CT of the abdomen extending into the chest, slice through the chest — axial view — soft-tissue window (W 400 / L 40) — acquired on SOMATOM Force — scan has 15 labeled organs (counted over the whole 3D scan, not this slice; an organ is boxed only where this slice passes through it)
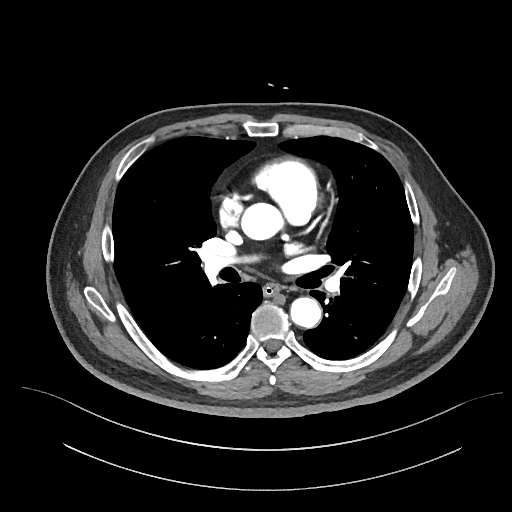

At this level of the chest this dataset labels only the esophagus and the aorta, and each is boxed only where it is labeled; the heart and lungs are never labeled.
Box edges are left/top/right/bottom in pixels.
Organ bounding boxes:
- esophagus: left=263, top=283, right=279, bottom=296
- aorta: left=241, top=203, right=283, bottom=239
- aorta: left=290, top=297, right=321, bottom=327